Abdominal CT — axial view — soft-tissue window (W 400 / L 40) — 15 organs annotated in this scan (a whole-scan count: organs this slice does not pass through have no box)
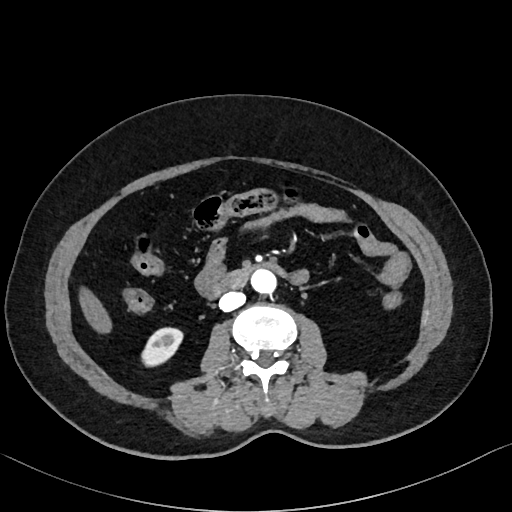

Organ boxes in pixel coordinates; each row gives the top-left (x1, y1) and bottom-right (x2, y2) corners.
| organ | x1 | y1 | x2 | y2 |
|---|---|---|---|---|
| right kidney | 141 | 329 | 183 | 366 |
| liver | 80 | 290 | 110 | 332 |
| aorta | 250 | 268 | 275 | 293 |
| inferior vena cava | 218 | 291 | 245 | 311 |
| duodenum | 208 | 261 | 285 | 296 |